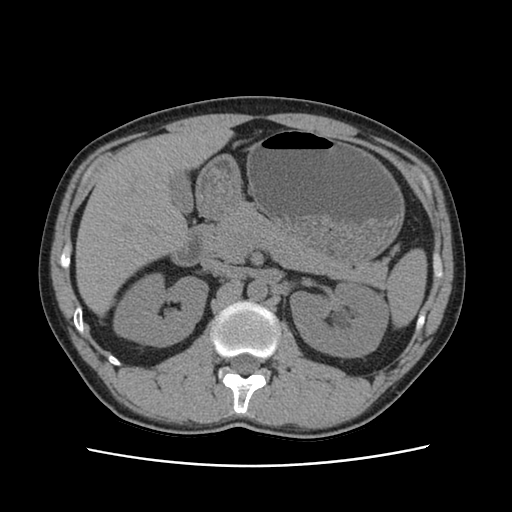

CT abdomen. axial plane, index 124. 512x512 px
Boxes: x1:y1:x2:y2 in pixels.
spleen: 387:248:427:327
right kidney: 113:273:207:346
left kidney: 290:283:388:357
gall bladder: 169:171:193:214
liver: 75:126:232:315
stomach: 197:129:404:262
aorta: 247:279:267:300
inferior vena cava: 201:259:236:276
pancreas: 205:203:387:287
duodenum: 171:224:210:265